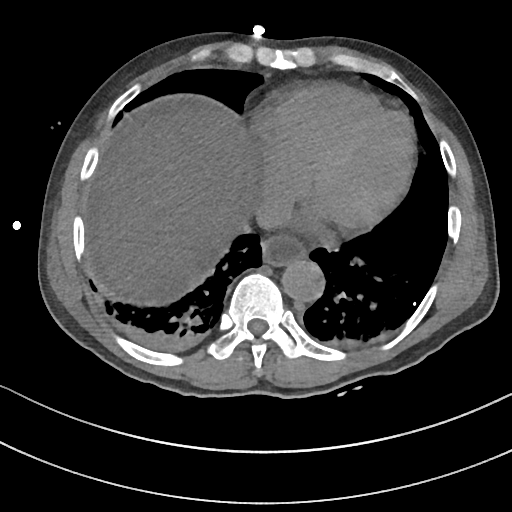
CT abdomen — Axial slice 227/252 — soft-tissue window — 512x512 px
{"organs":{"esophagus":[261,234,306,264],"liver":[97,115,246,296],"aorta":[281,259,324,301],"inferior vena cava":[254,196,291,228]}}